Abdominal CT. axial plane, index 141. W/L 400/40 HU
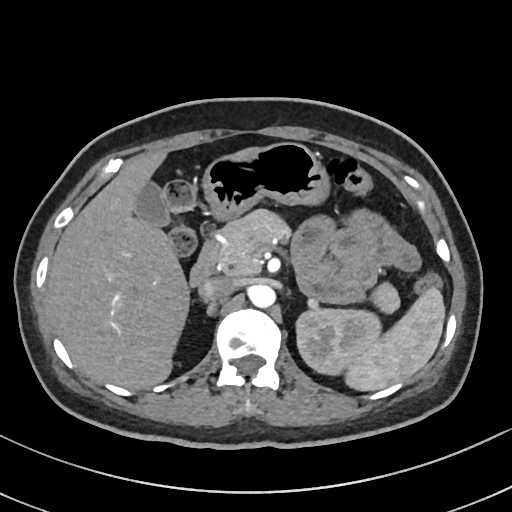
Each box given as x1,y1,x2,y2. Labeled organs on this slice: left kidney at x1=296, y1=309, x2=381, y2=375, gall bladder at x1=136, y1=182, x2=170, y2=227, stomach at x1=202, y1=142, x2=330, y2=220, duodenum at x1=190, y1=230, x2=222, y2=285, aorta at x1=248, y1=284, x2=275, y2=307, spleen at x1=345, y1=287, x2=445, y2=391, inferior vena cava at x1=198, y1=277, x2=235, y2=300, liver at x1=46, y1=147, x2=257, y2=389, pancreas at x1=218, y1=209, x2=399, y2=312.